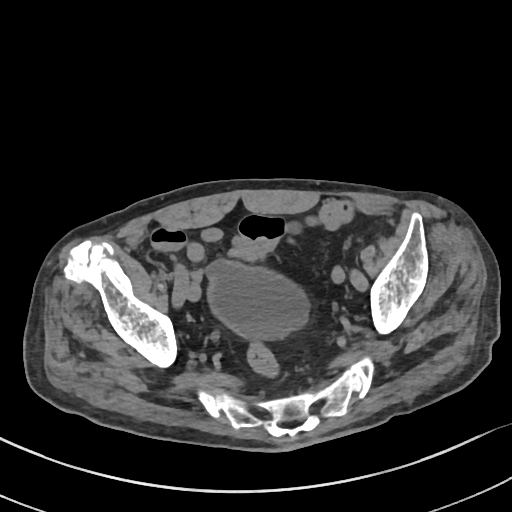
CT abdomen · axial plane, index 47
Boxes: x1 y1 x2 y2 (pixel coords, space-separated).
bladder: 206 259 308 341